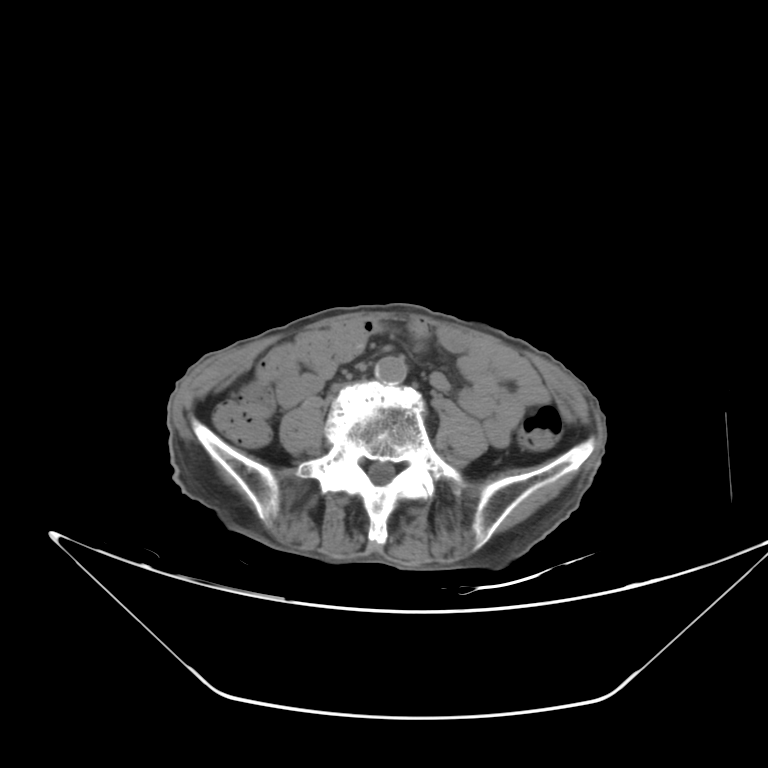 CT abdomen. axial view. soft-tissue window (W 400 / L 40). male patient aged 90 or older. 15 organs annotated in this scan (that count is for the whole scan; organs this slice misses have no box)
Each box given as x1,y1,x2,y2.
Organ bounding boxes:
- inferior vena cava: x1=331, y1=378, x2=368, y2=392
- aorta: x1=374, y1=358, x2=405, y2=386